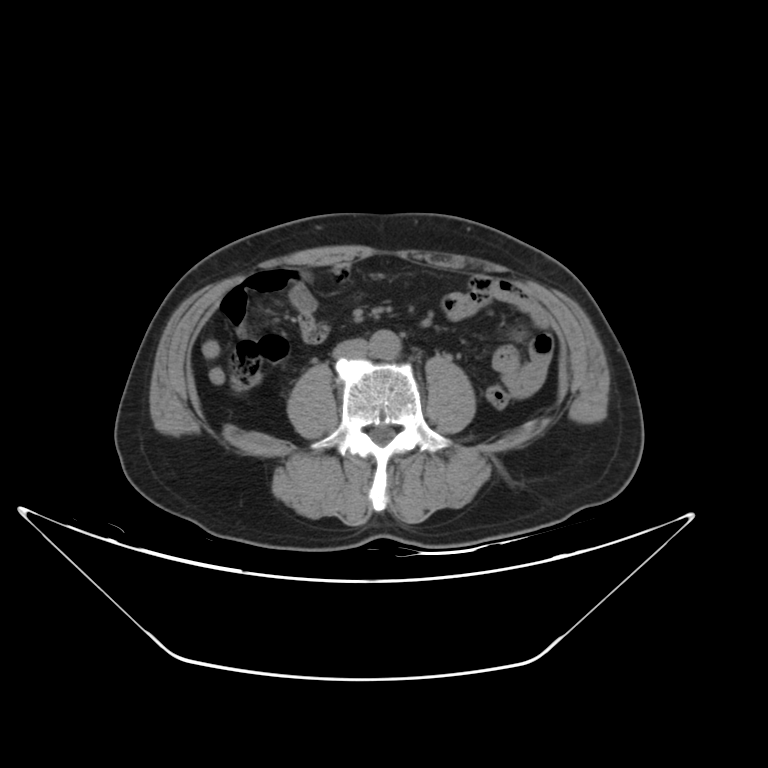 Abdominal CT · axial view
Bounding boxes in pixels, one row per box: x1, y1 is the top-left corner and x2, y2 the bottom-right.
| organ | x1 | y1 | x2 | y2 |
|---|---|---|---|---|
| aorta | 369 | 330 | 400 | 359 |
| inferior vena cava | 334 | 339 | 366 | 360 |